CT abdomen; axial plane, index 166; abdomen soft-tissue window
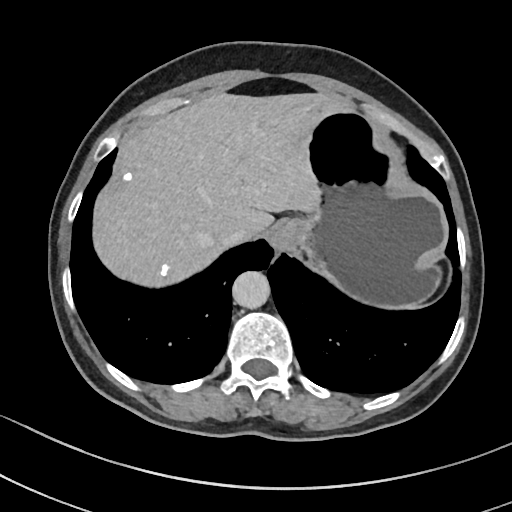 {"organs":{"esophagus":[271,232,288,251],"liver":[91,93,344,287],"stomach":[277,107,447,310],"aorta":[232,271,270,308],"inferior vena cava":[219,231,249,247]}}